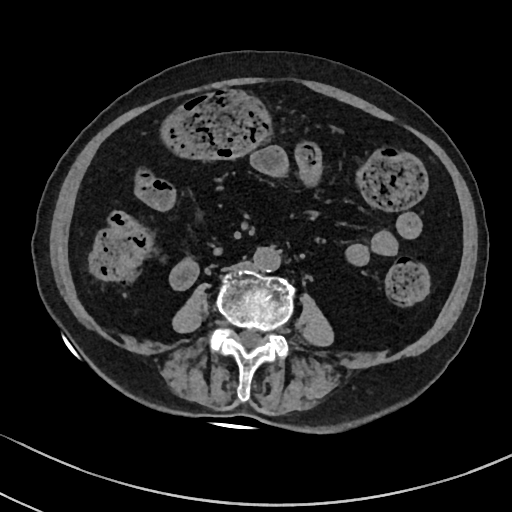
CT, abdomen/pelvis · Axial slice 112/202 · 512x512 px
Boxes: x1 y1 x2 y2 (pixel coords, space-separated).
aorta: 252 247 281 271
inferior vena cava: 224 261 249 271